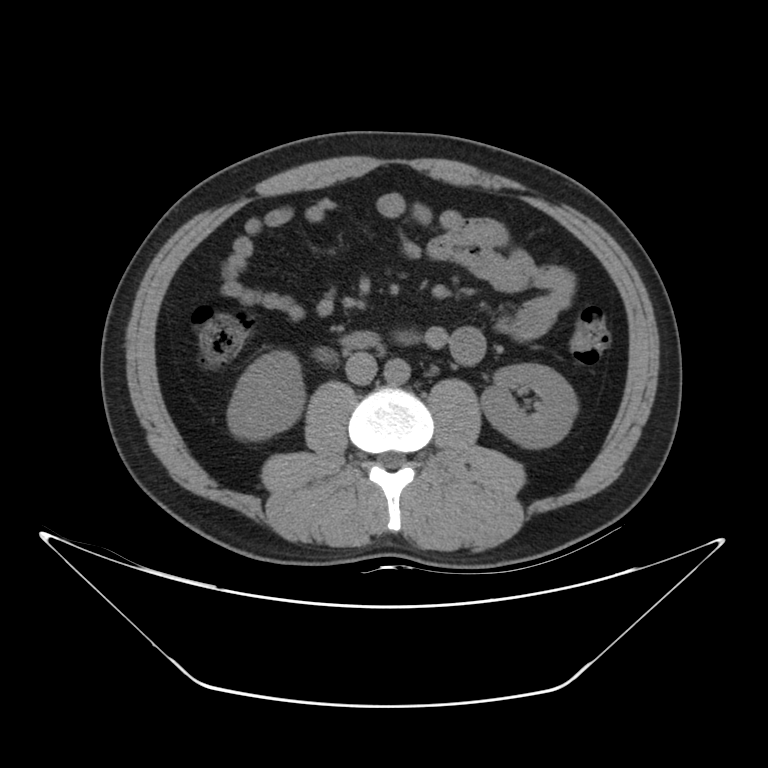

Computed tomography, abdomen · axial view
Boxes are (x1, y1, x2, y2) in pixels.
Organ bounding boxes:
- left kidney: (481, 363, 578, 448)
- inferior vena cava: (345, 351, 376, 385)
- duodenum: (341, 331, 380, 348)
- right kidney: (228, 351, 304, 440)
- aorta: (383, 358, 409, 384)